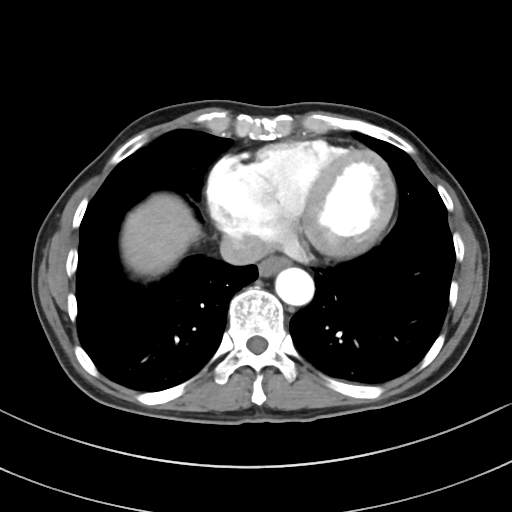

CT, abdomen/pelvis. axial plane, index 83
Boxes: x1:y1:x2:y2 in pixels.
aorta: 275:267:314:305
inferior vena cava: 220:234:269:265
liver: 121:193:200:276
esophagus: 258:256:289:276